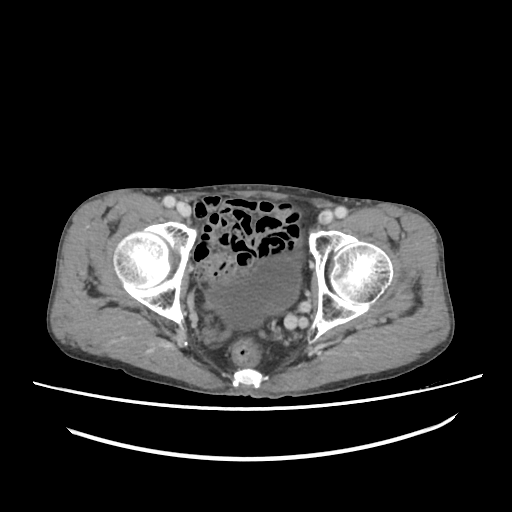 Computed tomography, abdomen — axial view — 59-year-old male patient — acquired on Aquilion ONE
Box edges are left/top/right/bottom in pixels. The annotated organs in this slice are: bladder at left=206, top=257, right=300, bottom=328.